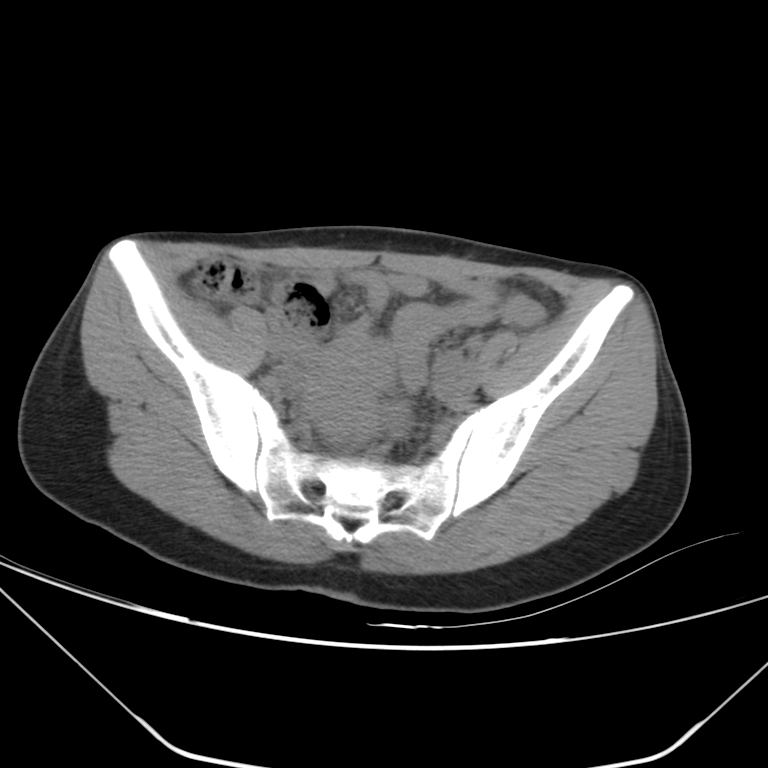
CT, abdomen/pelvis — Axial slice 19/68 — soft-tissue window — 768x768 px — 15 organs annotated in this scan (a whole-scan count: organs this slice does not pass through have no box)
<organs><organ name="prostate/uterus" x1="319" y1="409" x2="379" y2="440"/></organs>